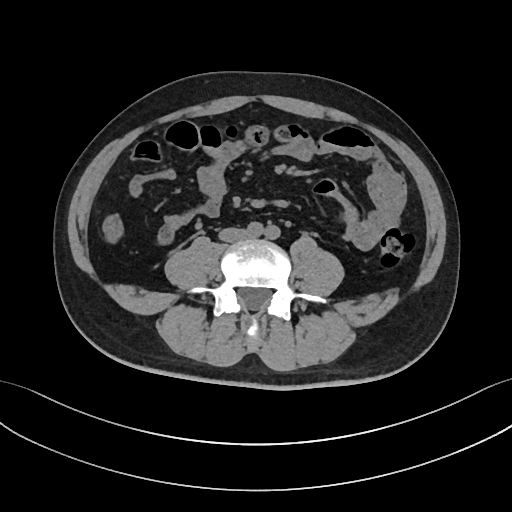

Abdominal CT · axial view · W/L 400/40 HU · 512x512 px · acquired on SOMATOM Force
{"organs":{"inferior vena cava":[219,227,248,242]}}